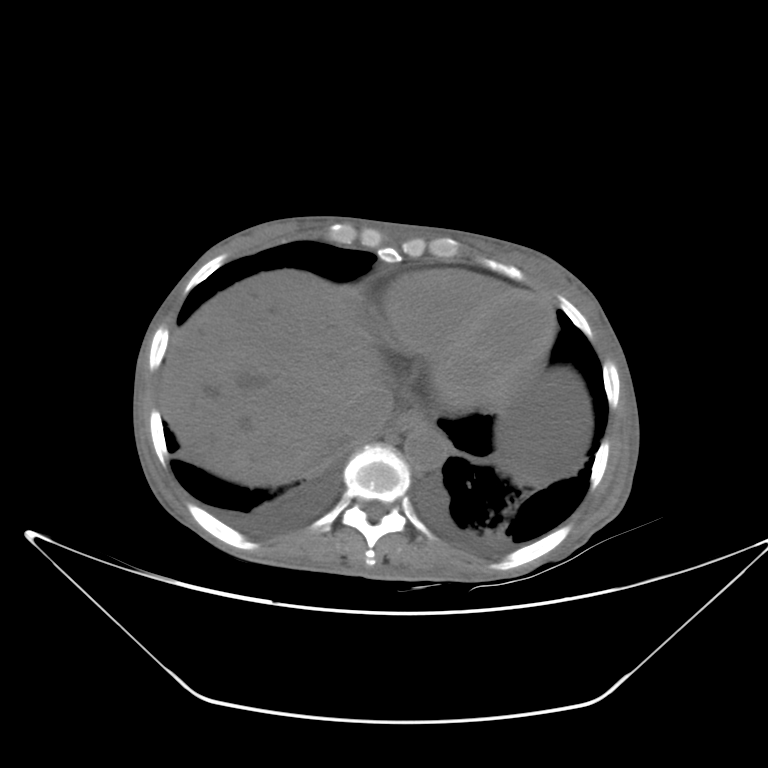
CT, abdomen/pelvis — axial view — abdomen soft-tissue window
Box edges are left/top/right/bottom in pixels.
esophagus: left=388, top=408, right=431, bottom=434
liver: left=161, top=269, right=383, bottom=487
aorta: left=404, top=425, right=448, bottom=470
inferior vena cava: left=338, top=380, right=394, bottom=440